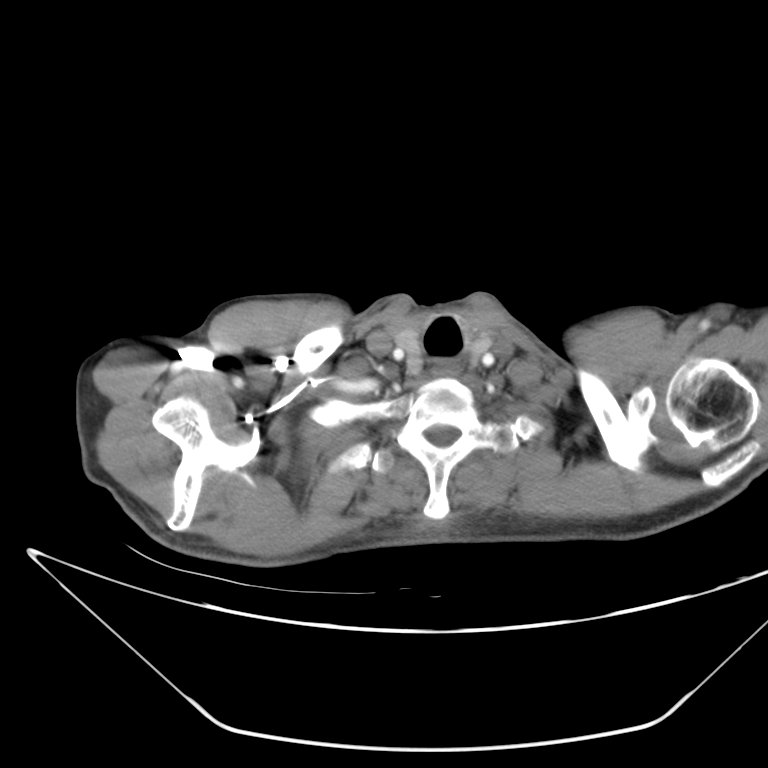

CT of the abdomen extending into the chest, slice through the chest; axial plane, index 101
At this level of the chest this dataset labels only the esophagus and the aorta, and each is boxed only where it is labeled; the heart and lungs are never labeled.
Bounding boxes as [x1, y1, x2, y2] in pixel coordinates.
Organ bounding boxes:
- esophagus: [430, 362, 462, 379]